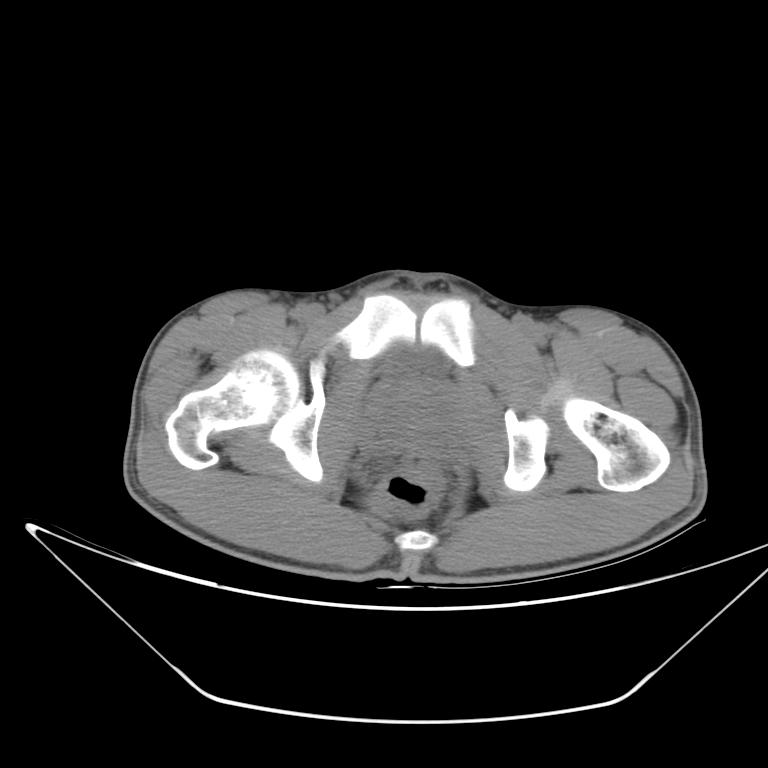

CT abdomen · axial plane, index 11 · soft-tissue window · 768x768 px · 15 organs annotated in this scan (counted over the whole 3D scan, not this slice; an organ is boxed only where this slice passes through it)
{"organs":{"bladder":[387,347,445,373],"prostate/uterus":[378,380,452,439]}}